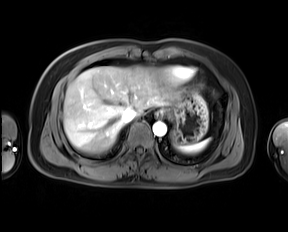

Abdominal MRI — Axial slice 55/72 — percentile-normalized
Boxes: x1:y1:x2:y2 in pixels. Labeled organs on this slice: spleen at 179:139:209:152, esophagus at 155:110:163:118, liver at 63:66:179:153, stomach at 163:89:208:143, aorta at 153:121:166:136, inferior vena cava at 121:108:136:122.